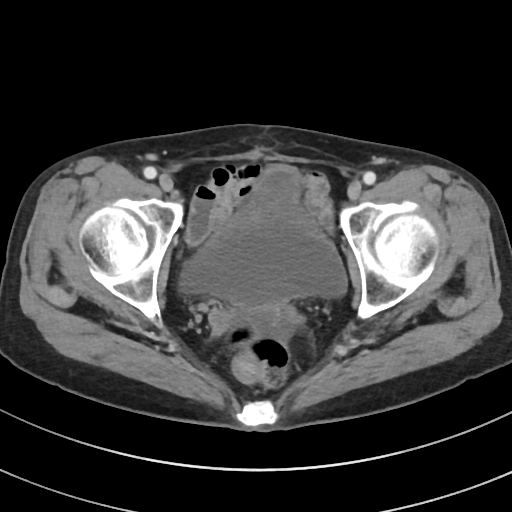

CT, abdomen/pelvis; axial plane, index 10; soft-tissue window (W 400 / L 40); 512x512 px; SOMATOM Force scanner
Boxes: x1:y1:x2:y2 in pixels. Labeled organs on this slice: bladder at 180:166:347:307.